Abdominal CT; Axial slice 74/124; W/L 400/40 HU; 512x512 px
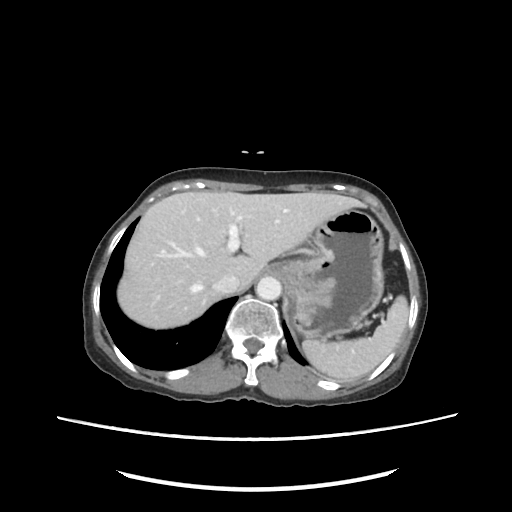
{"organs":{"spleen":[303,296,409,379],"liver":[118,190,363,327],"stomach":[261,207,384,339],"aorta":[257,277,281,300],"inferior vena cava":[212,273,240,295]}}